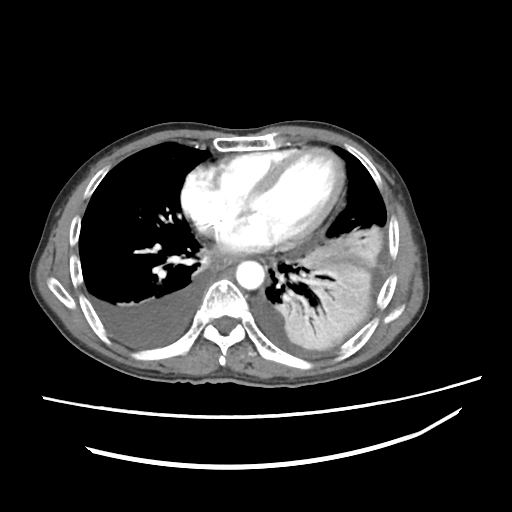
Abdominal CT; this slice is in the lower chest, just above the liver · axial view · soft-tissue window, W/L 400/40 · 512x512 px · 50-year-old male patient · Aquilion ONE scanner
No part of the heart or lungs is labeled in this dataset, so neither has a box here.
Bounding boxes in pixels, one row per box: x1, y1 is the top-left corner and x2, y2 the bottom-right.
| organ | x1 | y1 | x2 | y2 |
|---|---|---|---|---|
| aorta | 235 | 261 | 265 | 289 |
| esophagus | 209 | 257 | 238 | 272 |